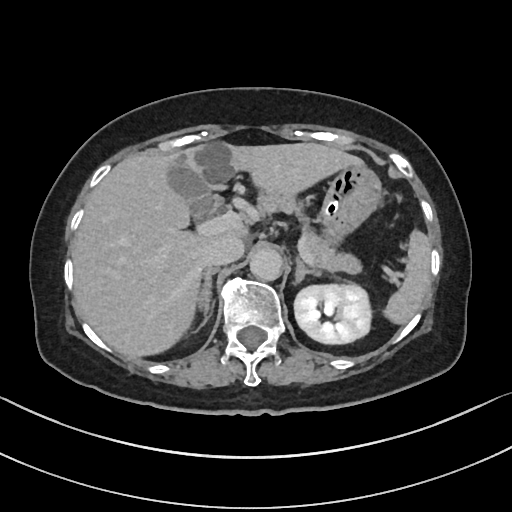 Computed tomography, abdomen · axial plane, index 166 · abdomen soft-tissue window · 512x512 px
<organs><organ name="gall bladder" x1="163" y1="161" x2="219" y2="221"/><organ name="stomach" x1="321" y1="163" x2="382" y2="241"/><organ name="pancreas" x1="254" y1="188" x2="362" y2="271"/><organ name="spleen" x1="386" y1="232" x2="430" y2="323"/><organ name="liver" x1="72" y1="142" x2="359" y2="356"/><organ name="aorta" x1="249" y1="247" x2="281" y2="280"/><organ name="left kidney" x1="294" y1="282" x2="371" y2="344"/><organ name="inferior vena cava" x1="203" y1="235" x2="244" y2="265"/><organ name="left adrenal gland" x1="294" y1="257" x2="321" y2="282"/><organ name="right adrenal gland" x1="199" y1="267" x2="218" y2="315"/></organs>